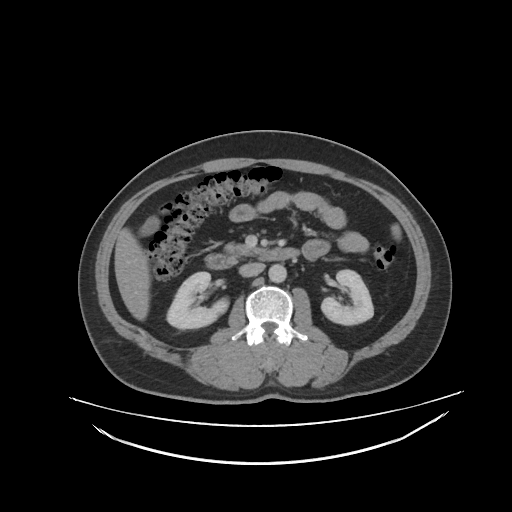
Computed tomography, abdomen · axial view · soft-tissue window · 512x512 px · 45-year-old male patient
<organs><organ name="spleen" x1="390" y1="222" x2="401" y2="240"/><organ name="right kidney" x1="168" y1="272" x2="227" y2="329"/><organ name="left kidney" x1="321" y1="269" x2="373" y2="325"/><organ name="liver" x1="114" y1="230" x2="151" y2="320"/><organ name="aorta" x1="267" y1="263" x2="287" y2="283"/><organ name="inferior vena cava" x1="238" y1="262" x2="265" y2="277"/><organ name="pancreas" x1="224" y1="242" x2="262" y2="257"/><organ name="duodenum" x1="205" y1="248" x2="298" y2="269"/></organs>